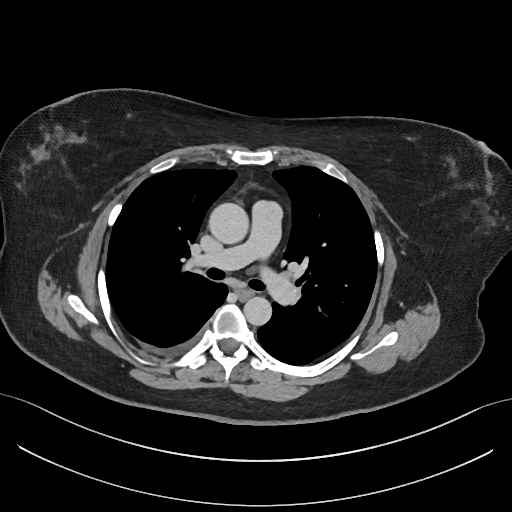
CT of the abdomen extending into the chest, slice through the chest; axial view; SOMATOM Force scanner
On a slice this high in the chest, this dataset labels only the esophagus and the aorta, and each is boxed only where it is labeled; the heart, lungs and other chest structures are not labeled. Boxes are (x1, y1, x2, y2) in pixels. 2 labeled organs on this slice — esophagus at (238, 289, 252, 299); aorta at (209, 203, 249, 244); aorta at (243, 296, 272, 326).